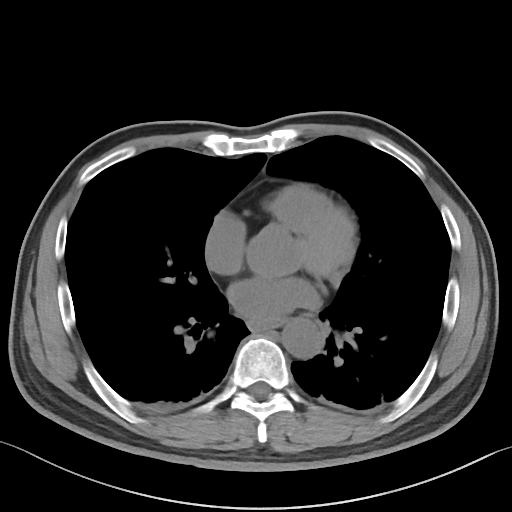 Abdominal CT; this slice is in the lower chest, just above the liver — axial view — 512x512 px
No part of the heart or lungs is labeled in this dataset, so neither has a box here.
Each box given as x1,y1,x2,y2.
aorta: x1=246, y1=225, x2=302, y2=277
aorta: x1=281, y1=316, x2=324, y2=358